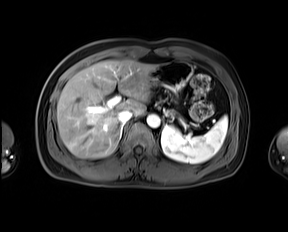 Abdominal MRI; axial view; 1st–99th percentile window; 288x232 px; acquired on Prisma
Organ boxes in pixel coordinates; each row gives the top-left (x1, y1) and bottom-right (x2, y2) corners.
| organ | x1 | y1 | x2 | y2 |
|---|---|---|---|---|
| spleen | 160 | 115 | 227 | 163 |
| aorta | 146 | 114 | 160 | 127 |
| inferior vena cava | 118 | 110 | 132 | 122 |
| liver | 57 | 60 | 156 | 158 |
| stomach | 151 | 60 | 192 | 92 |